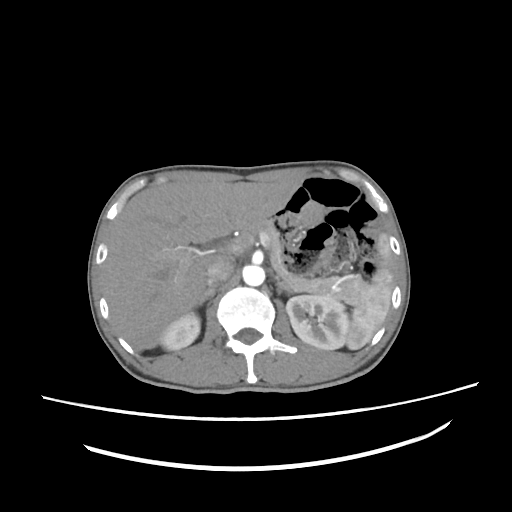
Abdominal CT; Axial slice 71/133
Coordinates as <box>x1,y1,x2,y2</box> in pixels.
spleen: <box>346,234,392,349</box>
right kidney: <box>160,312,200,350</box>
left kidney: <box>286,295,349,349</box>
liver: <box>104,181,300,350</box>
aorta: <box>243,265,265,286</box>
inferior vena cava: <box>206,257,234,286</box>
pancreas: <box>248,220,363,302</box>
right adrenal gland: <box>197,288,214,306</box>
left adrenal gland: <box>278,282,293,294</box>